Abdominal MRI · coronal view · 1st–99th percentile window
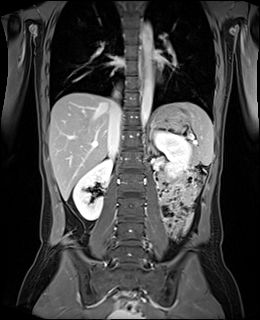
Boxes: x1:y1:x2:y2 in pixels. Labeled organs on this slice: right kidney at 73:158:112:220, esophagus at 140:51:145:84, stomach at 150:109:187:127, liver at 49:92:162:200, inferior vena cava at 107:91:122:158, left adrenal gland at 150:125:155:138, left kidney at 154:131:191:176, spleen at 162:102:213:165, aorta at 140:22:152:126.